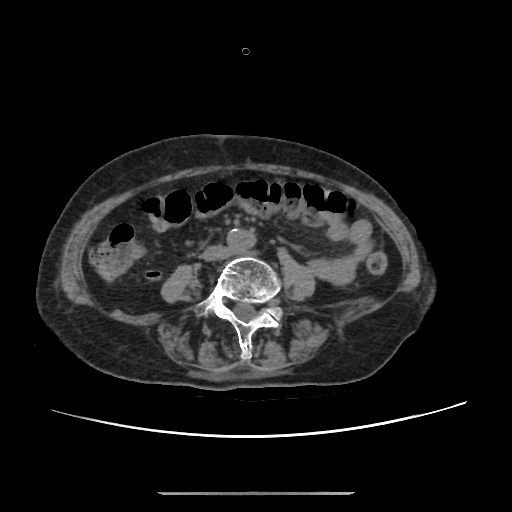
Computed tomography, abdomen; Axial slice 170/353; SOMATOM Force scanner
Bounding boxes as [x1, y1, x2, y2] in pixel coordinates.
Organ bounding boxes:
- aorta: [226, 228, 254, 251]
- inferior vena cava: [202, 245, 228, 260]